CT of the abdomen extending into the chest, slice through the chest. axial view. W/L 400/40 HU
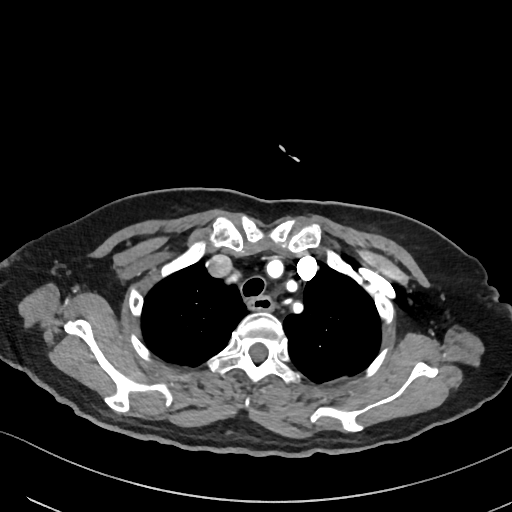
At this level of the chest this dataset labels only the esophagus and the aorta, and each is boxed only where it is labeled; the heart and lungs are never labeled.
<organs><organ name="esophagus" x1="248" y1="296" x2="273" y2="311"/></organs>